Computed tomography, abdomen; axial view; soft-tissue window (W 400 / L 40); 768x768 px; 65-year-old male patient; scan has 15 labeled organs (a whole-scan count: organs this slice does not pass through have no box)
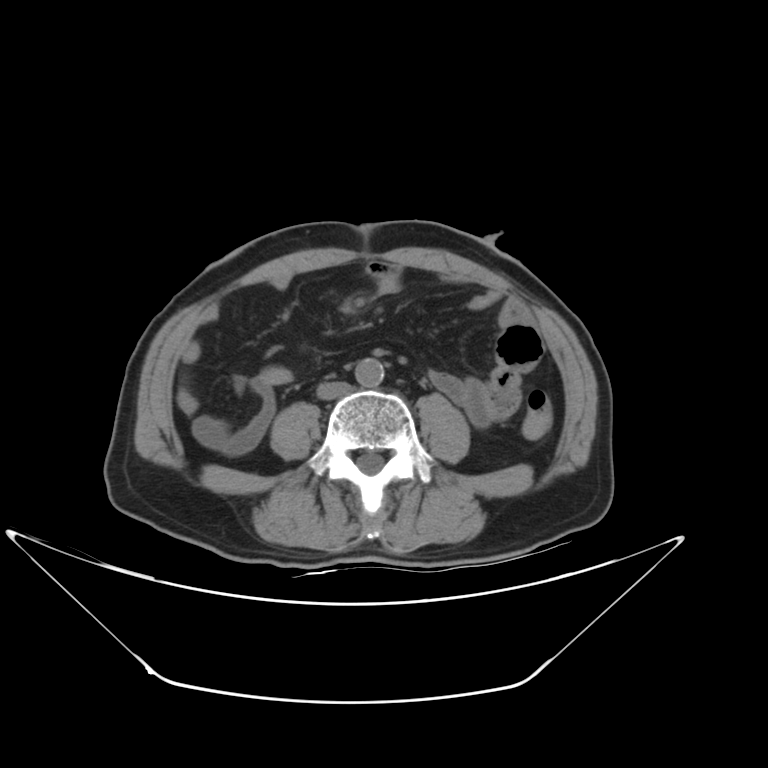
Bounding boxes as [x1, y1, x2, y2] in pixel coordinates. 2 labeled organs on this slice — inferior vena cava at [317, 381, 350, 400]; aorta at [355, 357, 384, 387].